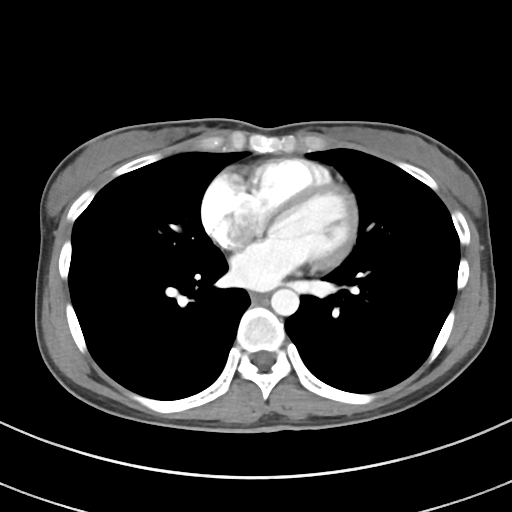 Abdominal CT reaching into the chest; this slice is in the chest — axial view — 512x512 px — acquired on SOMATOM Force
At this level of the chest no structure but the esophagus and the aorta has a label in this dataset, and those two are boxed only where they are labeled.
<organs><organ name="esophagus" x1="251" y1="293" x2="265" y2="301"/><organ name="aorta" x1="271" y1="289" x2="299" y2="315"/></organs>